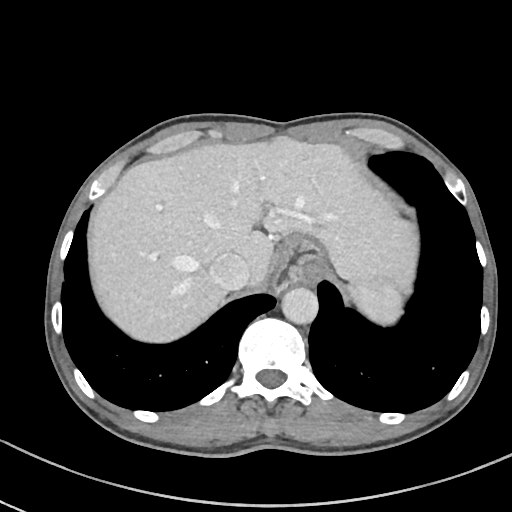 Computed tomography, abdomen. axial view. soft-tissue window. SOMATOM Force scanner
Boxes: x1:y1:x2:y2 in pixels. The annotated organs in this slice are: spleen at 347:282:405:324, liver at 92:136:419:342, inferior vena cava at 209:253:250:290, aorta at 281:287:318:324, stomach at 270:234:327:293.